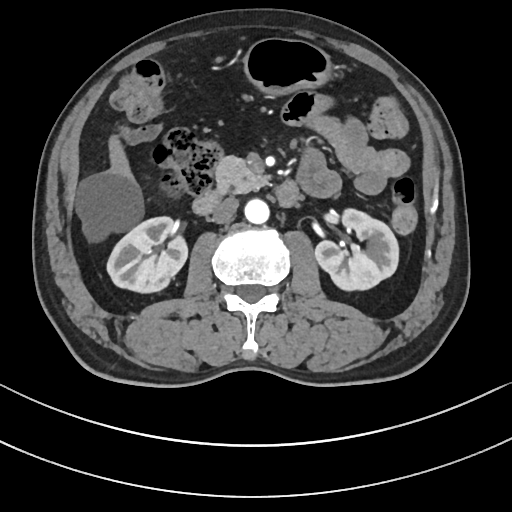
CT abdomen — axial view
Each box given as x1,y1,x2,y2.
Organ bounding boxes:
- right kidney: x1=107, y1=217, x2=187, y2=293
- left kidney: x1=314, y1=209, x2=398, y2=292
- liver: x1=76, y1=136, x2=141, y2=240
- stomach: x1=242, y1=38, x2=335, y2=97
- aorta: x1=245, y1=200, x2=270, y2=224
- inferior vena cava: x1=212, y1=197, x2=238, y2=223
- pancreas: x1=216, y1=157, x2=269, y2=194
- duodenum: x1=193, y1=179, x2=301, y2=214